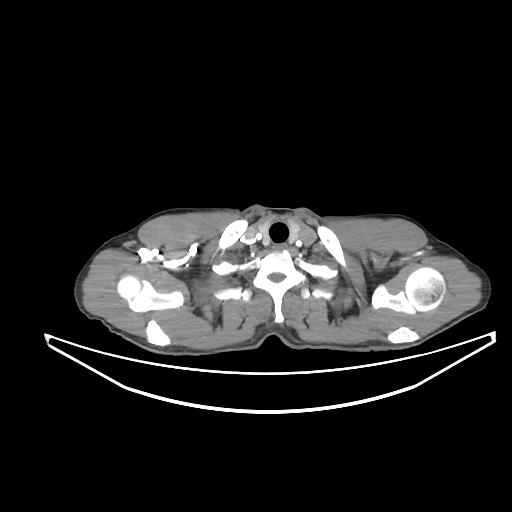

Chest-level CT slice, above the liver and spleen · axial view · soft-tissue window (W 400 / L 40) · 512x512 px · 15 organs annotated in this scan (counted over the whole 3D scan, not this slice; an organ is boxed only where this slice passes through it)
At this level of the chest no structure but the esophagus and the aorta has a label in this dataset, and those two are boxed only where they are labeled.
Box edges are left/top/right/bottom in pixels.
esophagus: left=273, top=244, right=286, bottom=249